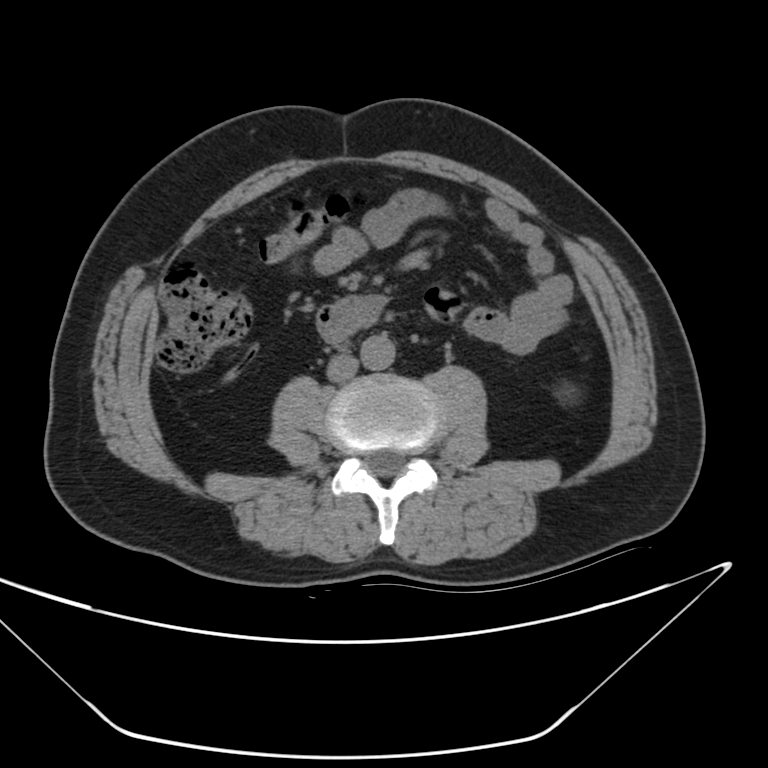 CT abdomen · axial view
<organs><organ name="aorta" x1="362" y1="336" x2="394" y2="371"/><organ name="inferior vena cava" x1="328" y1="358" x2="359" y2="382"/><organ name="duodenum" x1="318" y1="294" x2="385" y2="342"/></organs>